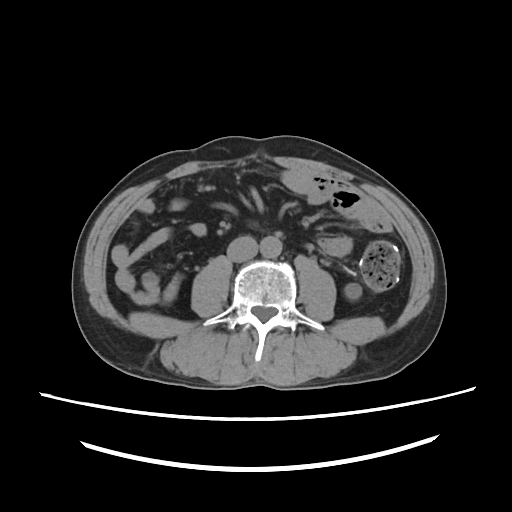
CT, abdomen/pelvis · axial view · abdomen soft-tissue window · 512x512 px · 15 organs annotated in this scan (that count is for the whole scan; organs this slice misses have no box)
{"organs":{"left kidney":[343,281,363,298],"aorta":[259,236,283,258],"inferior vena cava":[228,234,259,262]}}